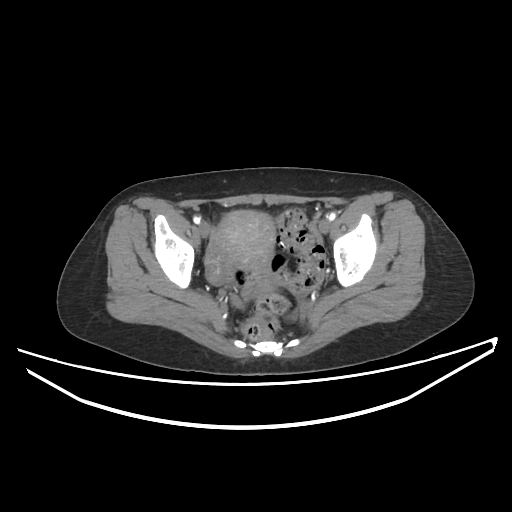

CT, abdomen/pelvis; axial plane, index 19
Coordinates as <box>x1,y1,x2,y2</box> in pixels.
prostate/uterus: <box>216,210,275,291</box>